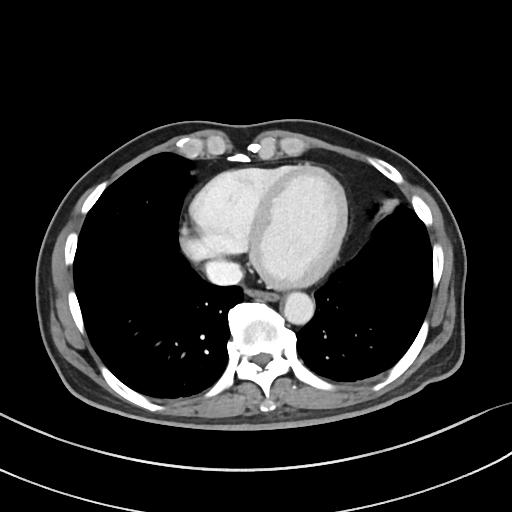

Lower-chest slice from an abdominal CT, just above the liver and spleen. axial view. 512x512 px. scan has 15 labeled organs (counted over the whole 3D scan, not this slice; an organ is boxed only where this slice passes through it)
Of the structures in the chest, this dataset labels only the esophagus, the aorta and the inferior vena cava; the heart and lungs have no label.
<organs><organ name="esophagus" x1="246" y1="288" x2="277" y2="299"/><organ name="aorta" x1="283" y1="292" x2="314" y2="324"/><organ name="inferior vena cava" x1="205" y1="260" x2="243" y2="285"/></organs>